CT abdomen — Axial slice 16/132 — abdomen soft-tissue window — 47-year-old male patient
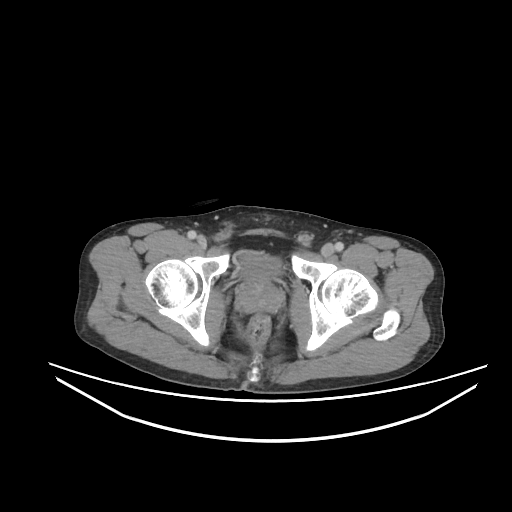

Each box given as x1,y1,x2,y2.
Organ bounding boxes:
- bladder: x1=238, y1=252, x2=281, y2=279
- prostate/uterus: x1=238, y1=278, x2=282, y2=312